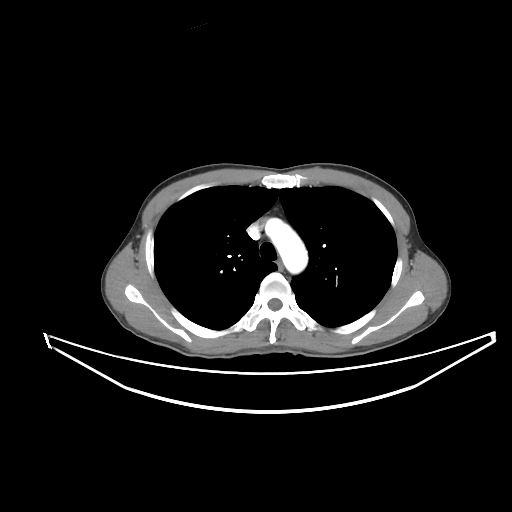 Chest-level slice from an abdominal CT that extends up into the chest — axial plane, index 116 — 52-year-old male patient — Aquilion ONE scanner
At this level of the chest no structure but the esophagus and the aorta has a label in this dataset, and those two are boxed only where they are labeled.
Box edges are left/top/right/bottom in pixels.
Organ bounding boxes:
- esophagus: left=277, top=260, right=283, bottom=270
- aorta: left=265, top=218, right=307, bottom=273